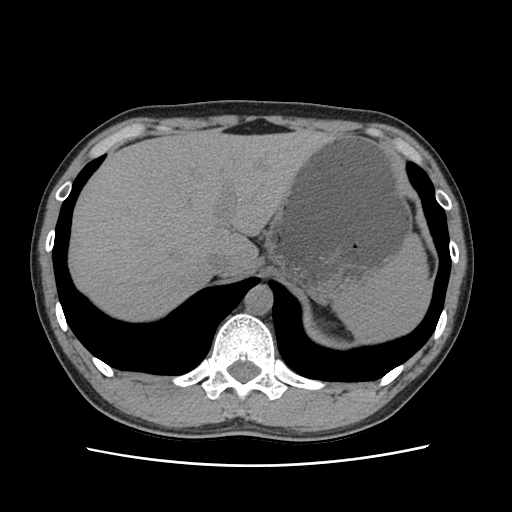

CT abdomen; Axial slice 144/167
Box edges are left/top/right/bottom in pixels.
stomach: left=265, top=137, right=410, bottom=300
inferior vena cava: left=206, top=250, right=243, bottom=275
liver: left=67, top=130, right=336, bottom=321
aorta: left=244, top=285, right=272, bottom=314
spleen: left=332, top=235, right=429, bottom=340